Abdominal CT — axial view — 512x512 px — 15 organs annotated in this scan (a whole-scan count: organs this slice does not pass through have no box)
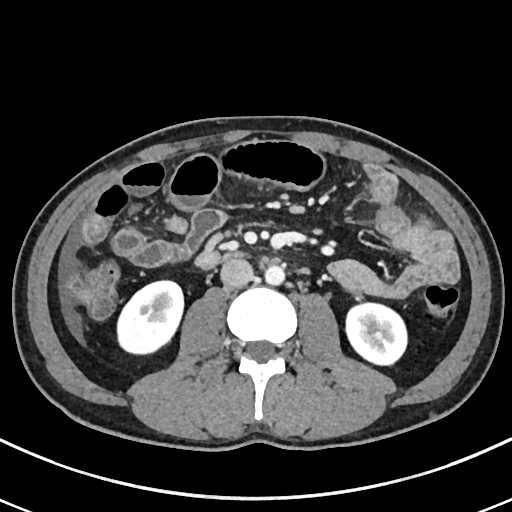
Coordinates as <box>x1,y1,x2,y2</box> in pixels.
Organ bounding boxes:
- aorta: <box>265,265,284,285</box>
- left kidney: <box>346,303,406,364</box>
- right kidney: <box>117,281,183,354</box>
- duodenum: <box>220,249,245,258</box>
- inferior vena cava: <box>220,258,253,287</box>